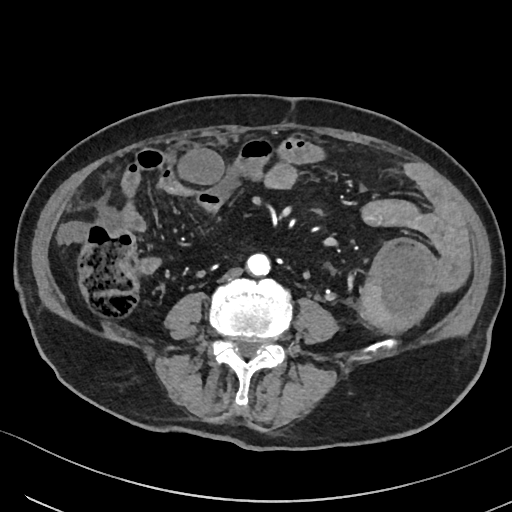 Abdominal CT. axial view. soft-tissue window
Bounding boxes as [x1, y1, x2, y2] in pixel coordinates.
aorta: [247, 253, 271, 276]
inferior vena cava: [221, 267, 242, 281]